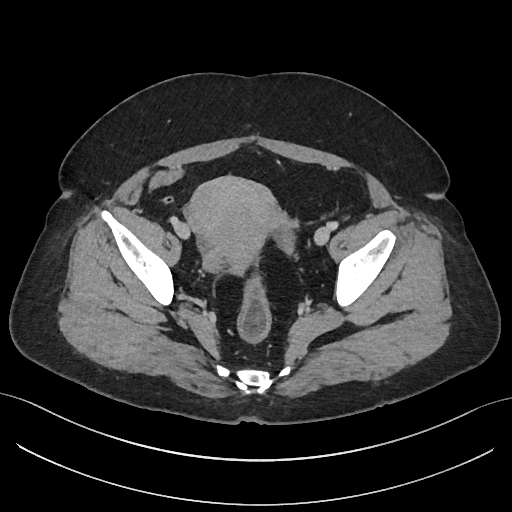 CT abdomen — axial plane, index 51 — soft-tissue window (W 400 / L 40) — 512x512 px
Each box given as x1,y1,x2,y2.
Organ bounding boxes:
- prostate/uterus: x1=185, y1=177, x2=278, y2=270